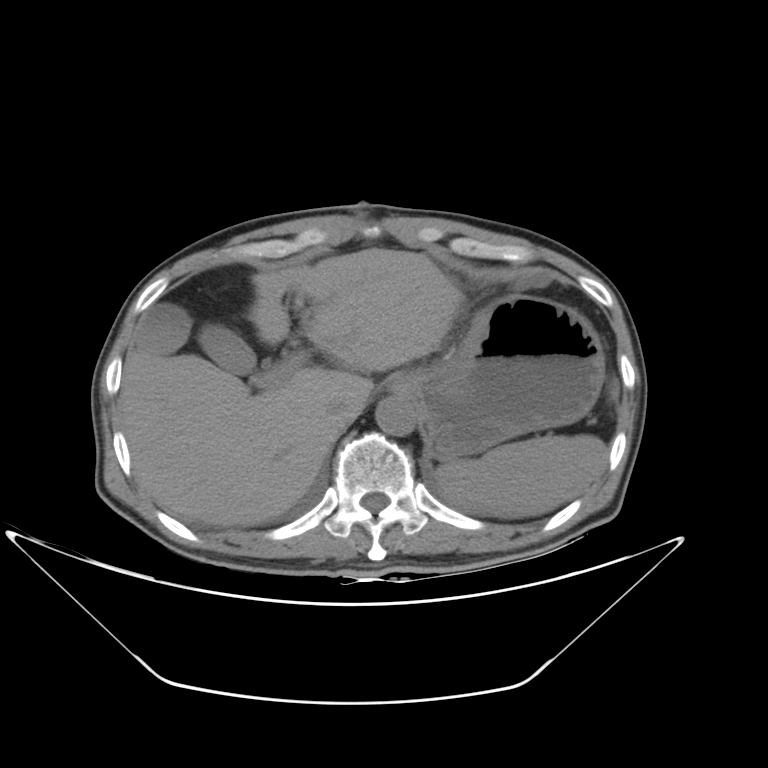

CT abdomen — Axial slice 82/104 — soft-tissue window (W 400 / L 40)
Box edges are left/top/right/bottom in pixels. 6 labeled organs on this slice — spleen at left=436, top=434, right=607, bottom=518; gall bladder at left=135, top=303, right=256, bottom=374; liver at left=120, top=248, right=463, bottom=527; stomach at left=389, top=295, right=604, bottom=461; aorta at left=375, top=397, right=415, bottom=436; inferior vena cava at left=327, top=398, right=355, bottom=421.